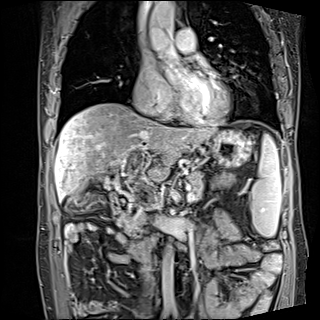 Abdominal MRI; coronal acquisition
<organs><organ name="pancreas" x1="118" y1="170" x2="204" y2="235"/><organ name="duodenum" x1="110" y1="190" x2="190" y2="261"/><organ name="spleen" x1="251" y1="134" x2="281" y2="237"/><organ name="gall bladder" x1="70" y1="190" x2="80" y2="202"/><organ name="inferior vena cava" x1="142" y1="259" x2="153" y2="284"/><organ name="stomach" x1="210" y1="129" x2="251" y2="167"/><organ name="aorta" x1="148" y1="1" x2="175" y2="51"/><organ name="aorta" x1="162" y1="248" x2="176" y2="310"/><organ name="liver" x1="55" y1="102" x2="215" y2="200"/></organs>